Computed tomography, abdomen. axial plane, index 180. soft-tissue window (W 400 / L 40). acquired on SOMATOM Force. scan has 15 labeled organs (that count is for the whole scan; organs this slice misses have no box)
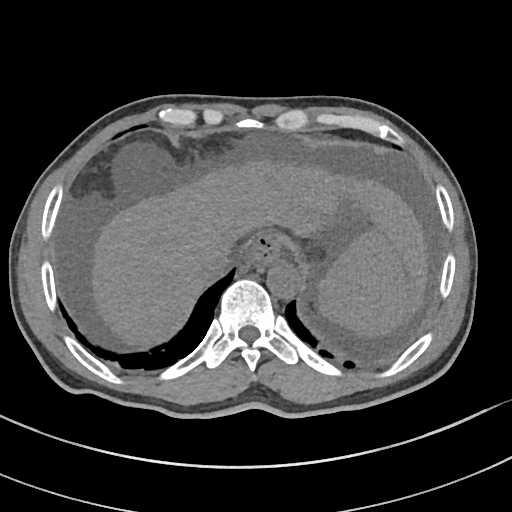
<organs><organ name="spleen" x1="317" y1="228" x2="413" y2="340"/><organ name="esophagus" x1="250" y1="233" x2="280" y2="264"/><organ name="aorta" x1="266" y1="262" x2="299" y2="297"/><organ name="liver" x1="90" y1="154" x2="428" y2="350"/><organ name="inferior vena cava" x1="206" y1="248" x2="234" y2="276"/><organ name="gall bladder" x1="130" y1="158" x2="148" y2="177"/></organs>